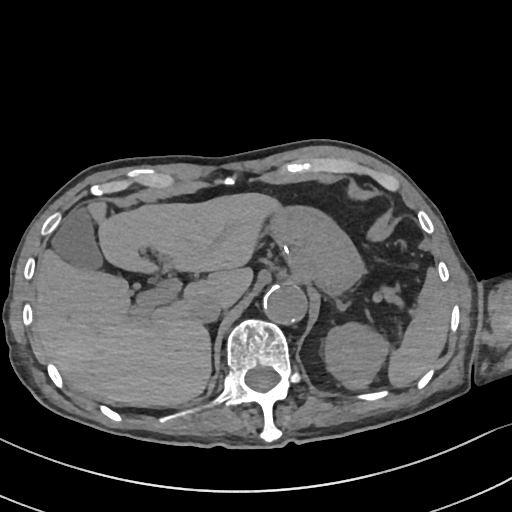

Abdominal CT. axial view. soft-tissue window (W 400 / L 40). 15 organs annotated in this scan (counted over the whole 3D scan, not this slice; an organ is boxed only where this slice passes through it)
Coordinates as <box>x1,y1,x2,y2</box> in pixels.
spleen: <box>387,268,449,387</box>
left kidney: <box>325,324,388,390</box>
gall bladder: <box>52,208,101,267</box>
liver: <box>34,193,284,407</box>
stomach: <box>270,208,364,291</box>
aorta: <box>263,285,306,325</box>
inferior vena cava: <box>191,296,224,322</box>
left adrenal gland: <box>337,301,348,310</box>